Abdominal CT; axial view; 512x512 px
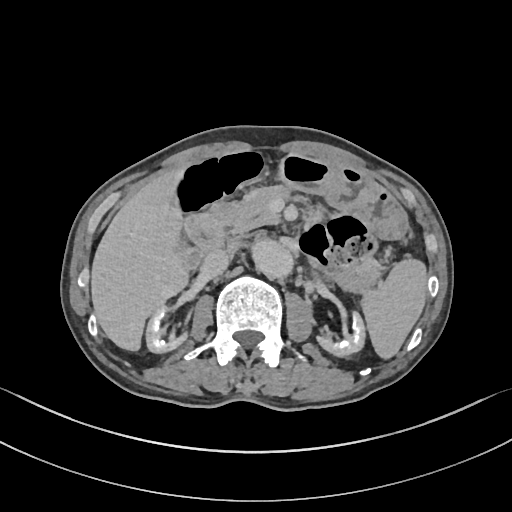 One row per box, in pixels: columns x1 and y1 give the top-left corner, x2 and y2 the bottom-right.
| organ | x1 | y1 | x2 | y2 |
|---|---|---|---|---|
| spleen | 361 | 256 | 426 | 358 |
| stomach | 279 | 153 | 406 | 239 |
| gall bladder | 178 | 234 | 200 | 270 |
| left kidney | 319 | 312 | 366 | 356 |
| inferior vena cava | 200 | 249 | 228 | 277 |
| right kidney | 145 | 305 | 181 | 352 |
| aorta | 253 | 241 | 291 | 278 |
| pancreas | 205 | 186 | 287 | 234 |
| duodenum | 183 | 213 | 225 | 256 |
| liver | 91 | 165 | 187 | 350 |